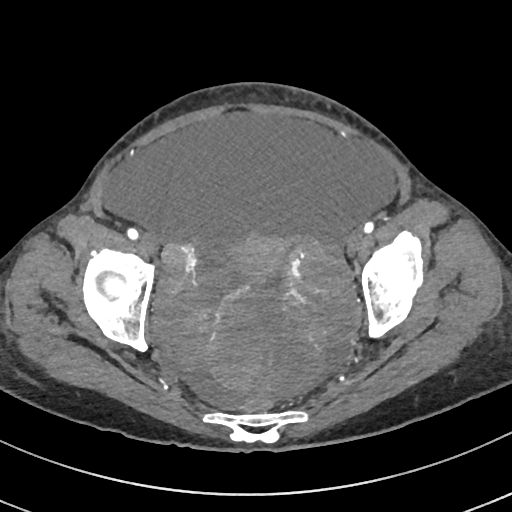 CT abdomen · axial view
Each box given as x1,y1,x2,y2.
Organ bounding boxes:
- prostate/uterus: x1=239, y1=239, x2=286, y2=277